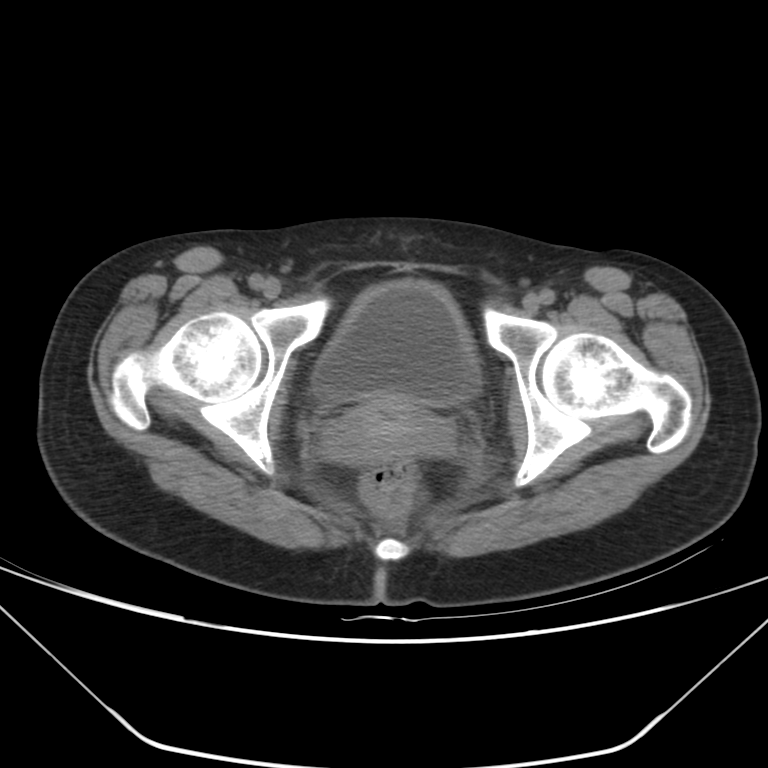 Computed tomography, abdomen; axial plane, index 11; soft-tissue window; 768x768 px; 15 organs annotated in this scan (counted over the whole 3D scan, not this slice; an organ is boxed only where this slice passes through it)
Bounding boxes in pixels, one row per box: x1, y1 is the top-left corner and x2, y2 the bottom-right.
| organ | x1 | y1 | x2 | y2 |
|---|---|---|---|---|
| bladder | 311 | 281 | 481 | 405 |
| prostate/uterus | 321 | 398 | 454 | 464 |